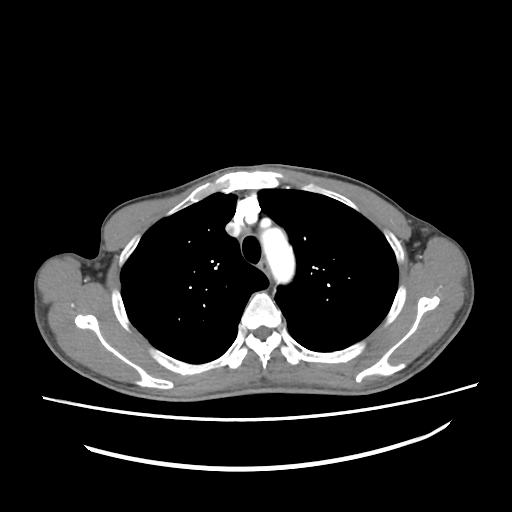 CT of the abdomen extending into the chest, slice through the chest · axial view
At this level of the chest this dataset labels only the esophagus and the aorta, and each is boxed only where it is labeled; the heart and lungs are never labeled.
<organs><organ name="esophagus" x1="259" y1="260" x2="268" y2="271"/><organ name="aorta" x1="261" y1="228" x2="295" y2="283"/></organs>